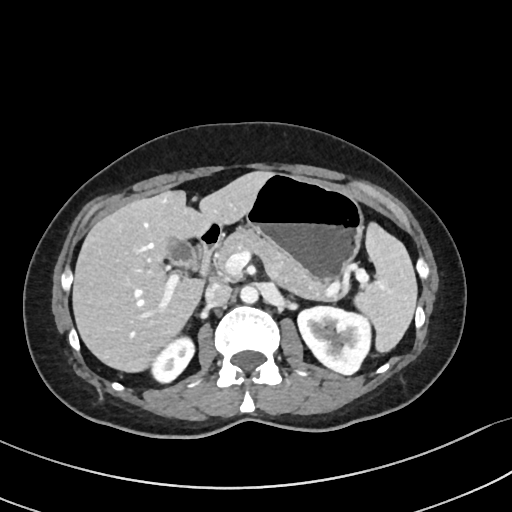 Abdominal CT. axial plane, index 135. acquired on SOMATOM Force
Box edges are left/top/right/bottom in pixels.
Organ bounding boxes:
- spleen: left=353, top=222, right=418, bottom=354
- right kidney: left=151, top=338, right=194, bottom=383
- left kidney: left=298, top=306, right=372, bottom=375
- gall bladder: left=166, top=236, right=196, bottom=268
- liver: left=72, top=170, right=271, bottom=373
- stomach: left=246, top=173, right=364, bottom=284
- aorta: left=240, top=285, right=259, bottom=304
- inferior vena cava: left=205, top=281, right=232, bottom=305
- pancreas: left=218, top=228, right=328, bottom=299
- duodenum: left=201, top=227, right=222, bottom=276